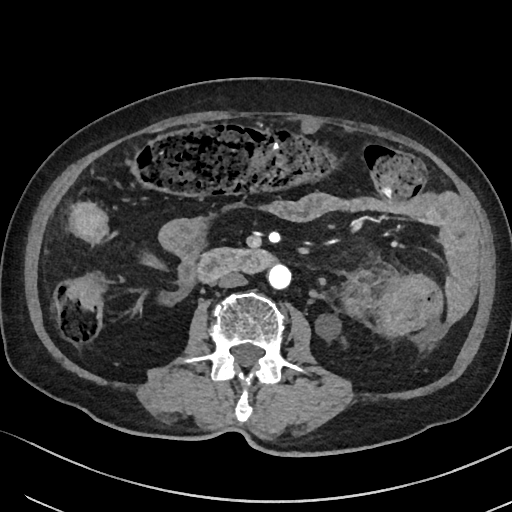 CT abdomen — axial plane, index 135
Coordinates as <box>x1,y1,x2,y2</box> in pixels.
Organ bounding boxes:
- left kidney: <box>317,314,340,340</box>
- duodenum: <box>197,248,275,283</box>
- aorta: <box>268,265,291,290</box>
- inferior vena cava: <box>217,272,246,287</box>